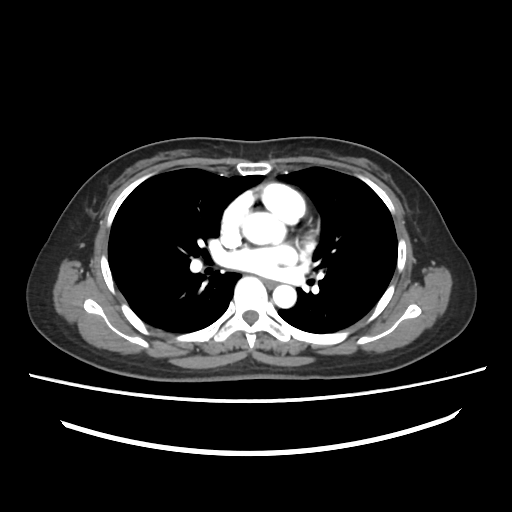
CT of the abdomen extending into the chest, slice through the chest · axial view · 512x512 px · 45-year-old female patient · 15 organs annotated in this scan (that count is for the whole scan; organs this slice misses have no box)
At this level of the chest this dataset labels only the esophagus and the aorta, and each is boxed only where it is labeled; the heart and lungs are never labeled. Boxes are (x1, y1, x2, y2) in pixels. Labeled organs on this slice: esophagus at (264, 280, 278, 288), aorta at (243, 212, 286, 245), aorta at (273, 285, 296, 308).